Abdominal CT reaching into the chest; this slice is in the chest. axial view. acquired on SOMATOM Force
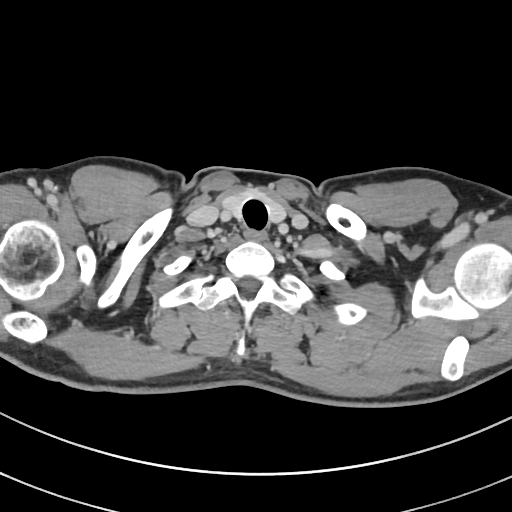

At this level of the chest this dataset labels only the esophagus and the aorta, and each is boxed only where it is labeled; the heart and lungs are never labeled.
{"organs":{"esophagus":[243,230,266,240]}}